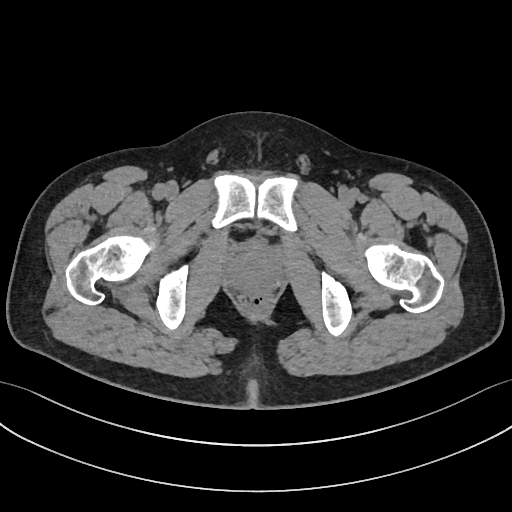

CT, abdomen/pelvis · axial view · 512x512 px · scan has 15 labeled organs (a whole-scan count: organs this slice does not pass through have no box)
{"organs":{"prostate/uterus":[230,252,279,289]}}